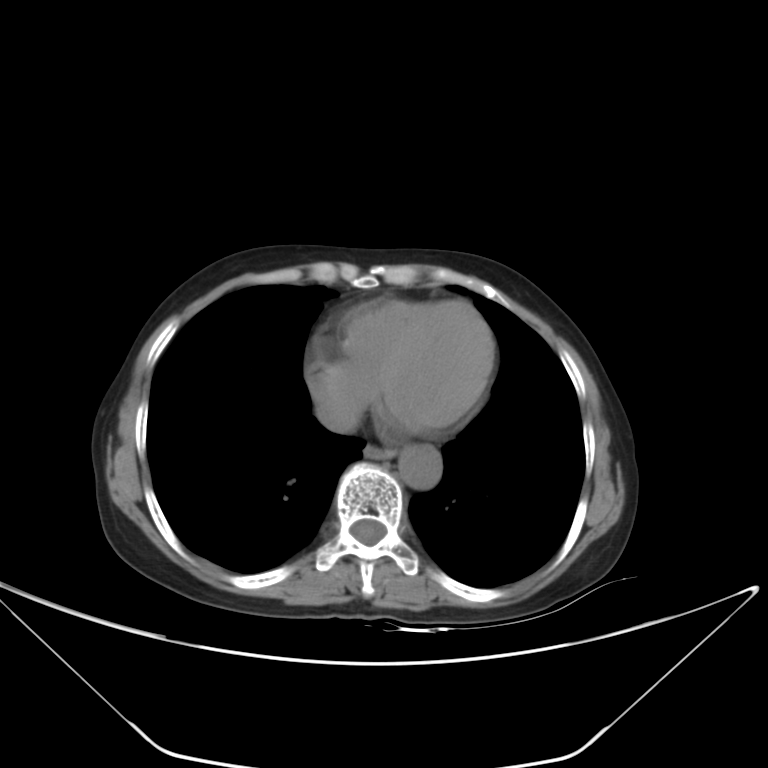
CT of the abdomen reaching into the lower chest, slice just above the liver and spleen; axial plane, index 79; 768x768 px; Brilliance16 scanner; 15 organs annotated in this scan (counted over the whole 3D scan, not this slice; an organ is boxed only where this slice passes through it)
Of the structures in the chest, this dataset labels only the esophagus, the aorta and the inferior vena cava; the heart and lungs have no label.
{"organs":{"esophagus":[363,444,392,458],"aorta":[398,444,442,489],"inferior vena cava":[315,395,360,433]}}